Magnetic resonance imaging, abdomen. coronal view
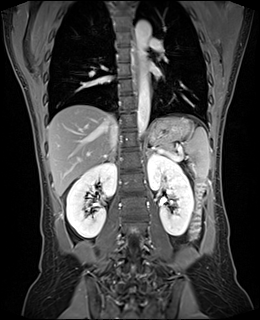
{"organs":{"left kidney":[148,153,193,236],"right adrenal gland":[108,155,114,159],"spleen":[183,127,210,179],"stomach":[148,116,190,143],"aorta":[[137,69,150,135],[135,20,150,59]],"liver":[47,105,114,197],"right kidney":[66,162,116,238],"pancreas":[161,142,173,152],"esophagus":[133,39,138,90],"inferior vena cava":[109,121,117,150],"left adrenal gland":[146,148,154,155]}}